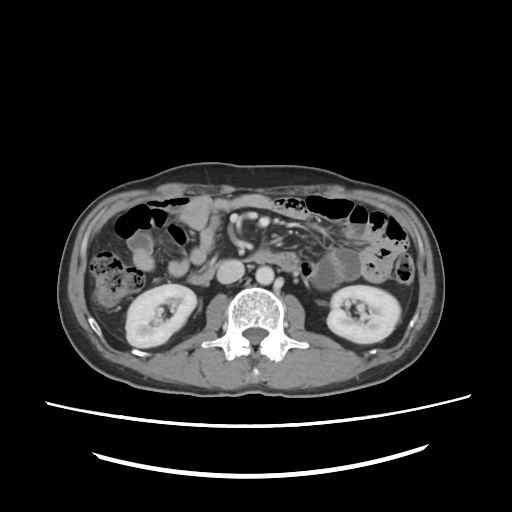
CT, abdomen/pelvis. axial plane, index 59. soft-tissue window. 512x512 px. 45-year-old male patient
Coordinates as <box>x1,y1,x2,y2</box> in pixels.
Organ bounding boxes:
- right kidney: <box>125,284,196,347</box>
- left kidney: <box>326,286,400,342</box>
- aorta: <box>255,267,273,285</box>
- inferior vena cava: <box>217,259,244,283</box>
- duodenum: <box>188,247,301,284</box>